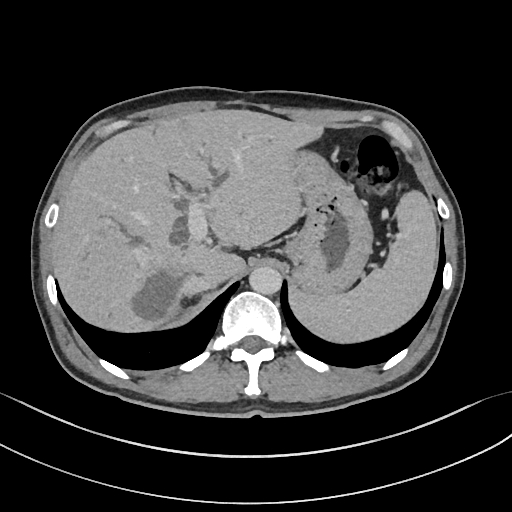
Computed tomography, abdomen · axial view · soft-tissue window (W 400 / L 40) · 14 organs annotated in this scan (that count is for the whole scan; organs this slice misses have no box)
<organs><organ name="spleen" x1="290" y1="190" x2="437" y2="342"/><organ name="aorta" x1="249" y1="266" x2="281" y2="294"/><organ name="stomach" x1="284" y1="150" x2="372" y2="295"/><organ name="inferior vena cava" x1="185" y1="272" x2="220" y2="295"/><organ name="liver" x1="52" y1="109" x2="323" y2="332"/></organs>